Lower-chest slice from an abdominal CT, just above the liver and spleen. axial view. soft-tissue window. SOMATOM Force scanner. 15 organs annotated in this scan (a whole-scan count: organs this slice does not pass through have no box)
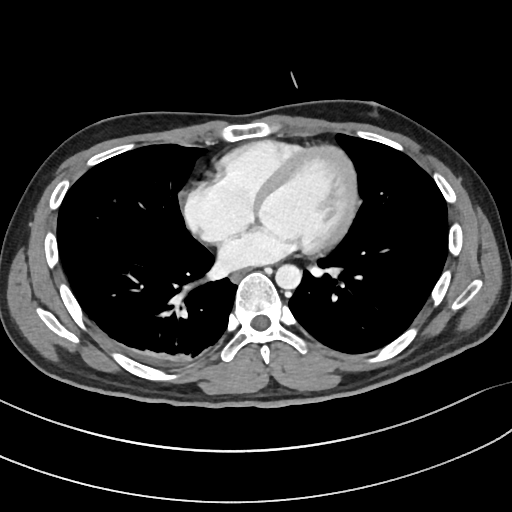 Of the structures in the chest, this dataset labels only the esophagus, the aorta and the inferior vena cava; the heart and lungs have no label.
One row per box, in pixels: columns x1 and y1 give the top-left corner, x2 and y2 the bottom-right.
| organ | x1 | y1 | x2 | y2 |
|---|---|---|---|---|
| esophagus | 231 | 270 | 246 | 283 |
| aorta | 275 | 264 | 301 | 289 |